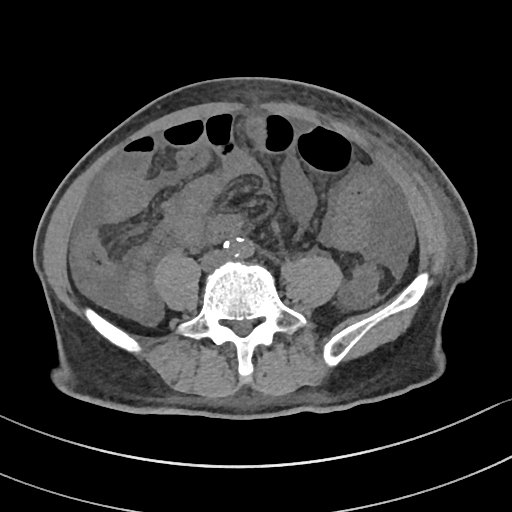 Computed tomography, abdomen; axial view; soft-tissue window (W 400 / L 40); scan has 15 labeled organs (counted over the whole 3D scan, not this slice; an organ is boxed only where this slice passes through it)
{"organs":{"aorta":[226,237,253,257]}}